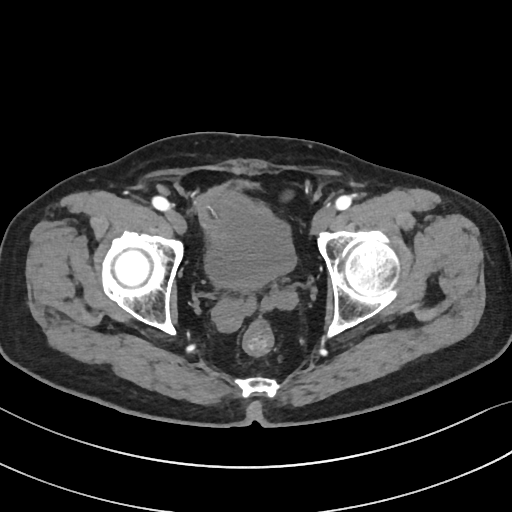

CT, abdomen/pelvis; axial view; abdomen soft-tissue window
{"organs":{"bladder":[207,191,294,293]}}